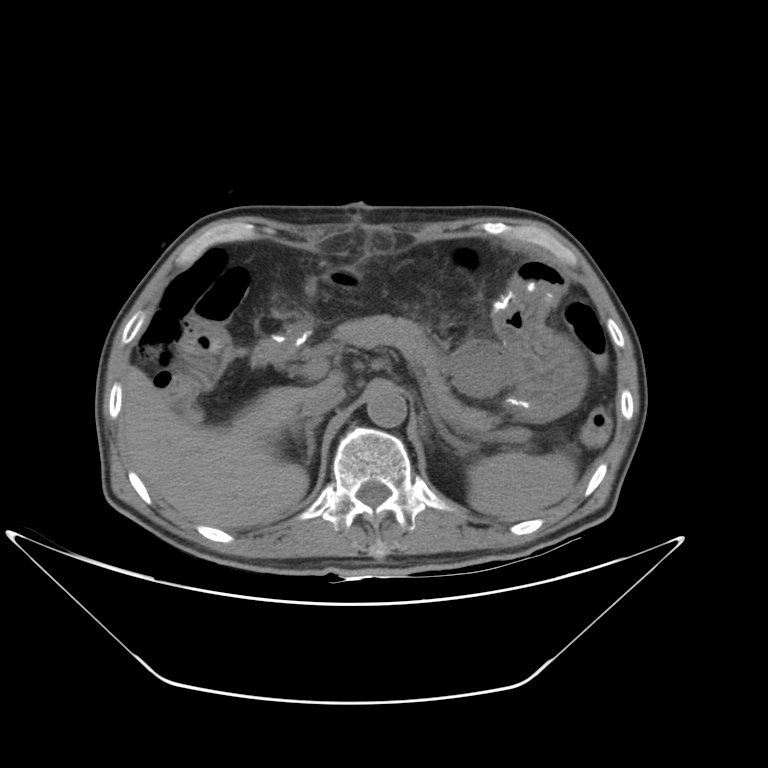 CT, abdomen/pelvis; axial plane, index 74; Brilliance16 scanner
Each box given as x1,y1,x2,y2. 8 labeled organs on this slice — spleen at x1=468, y1=451, x2=578, y2=520; liver at x1=122, y1=366, x2=344, y2=527; stomach at x1=451, y1=336, x2=522, y2=417; aorta at x1=366, y1=387, x2=406, y2=428; inferior vena cava at x1=301, y1=387, x2=345, y2=417; pancreas at x1=324, y1=314, x2=499, y2=428; right adrenal gland at x1=291, y1=416, x2=323, y2=463; duodenum at x1=250, y1=333, x2=295, y2=366.